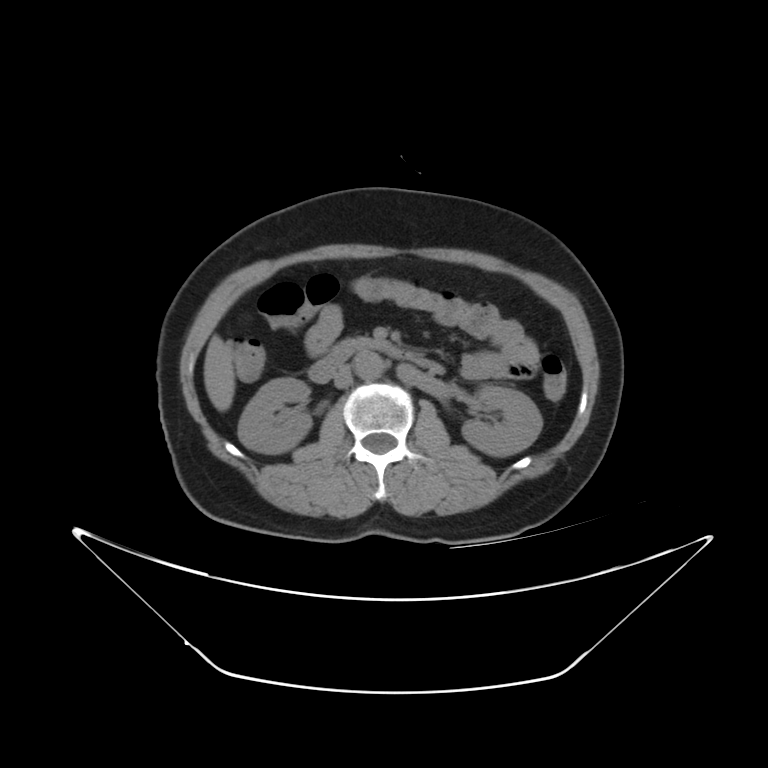
Abdominal CT — axial plane, index 55 — soft-tissue window
Bounding boxes as [x1, y1, x2, y2] in pixel coordinates.
liver: [202, 333, 236, 411]
right kidney: [237, 377, 310, 451]
pancreas: [331, 337, 381, 361]
left kidney: [461, 386, 540, 454]
duodenum: [307, 341, 446, 384]
inferior vena cava: [333, 362, 352, 388]
aorta: [352, 351, 382, 382]